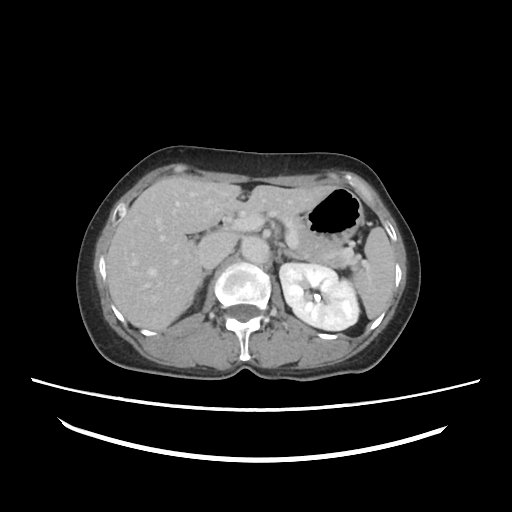
CT, abdomen/pelvis; Axial slice 62/82; 512x512 px; Aquilion ONE scanner
{"organs":{"spleen":[352,227,393,320],"left kidney":[280,262,359,329],"liver":[107,178,336,329],"stomach":[299,186,361,242],"aorta":[241,236,269,264],"inferior vena cava":[199,233,237,270],"pancreas":[274,209,345,268],"right adrenal gland":[198,271,211,289],"left adrenal gland":[278,243,303,265],"duodenum":[203,219,232,233]}}